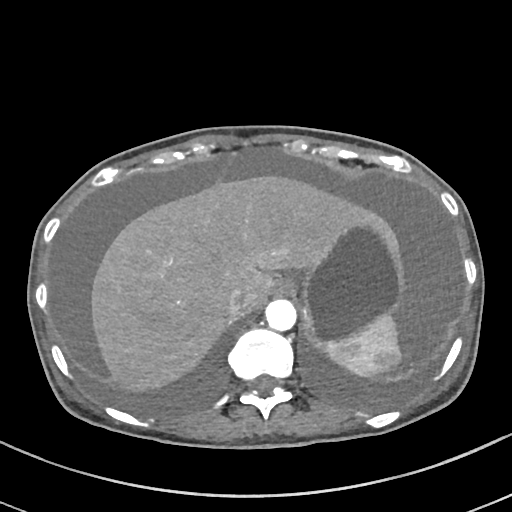
Abdominal CT — axial plane, index 193 — abdomen soft-tissue window — 15 organs annotated in this scan (that count is for the whole scan; organs this slice misses have no box)
Boxes: x1 y1 x2 y2 (pixel coords, space-separated).
Organ bounding boxes:
- spleen: 324 315 401 377
- esophagus: 277 280 294 294
- liver: 91 175 401 392
- stomach: 289 218 402 346
- aorta: 265 299 296 331
- inferior vena cava: 226 287 244 316